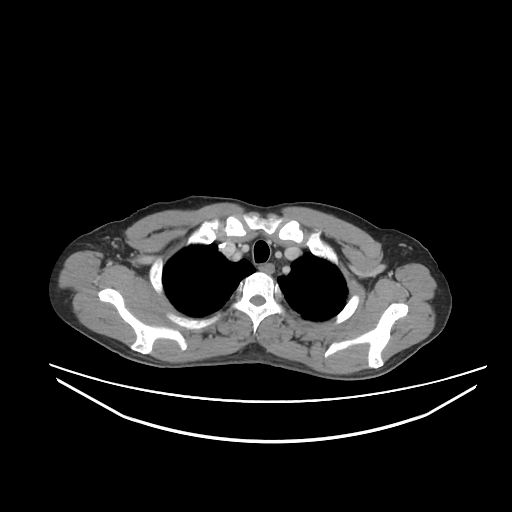

CT of the abdomen extending into the chest, slice through the chest — axial view — W/L 400/40 HU — 512x512 px — Aquilion ONE scanner
At this level of the chest no structure but the esophagus and the aorta has a label in this dataset, and those two are boxed only where they are labeled.
{"organs":{"esophagus":[258,262,274,273]}}